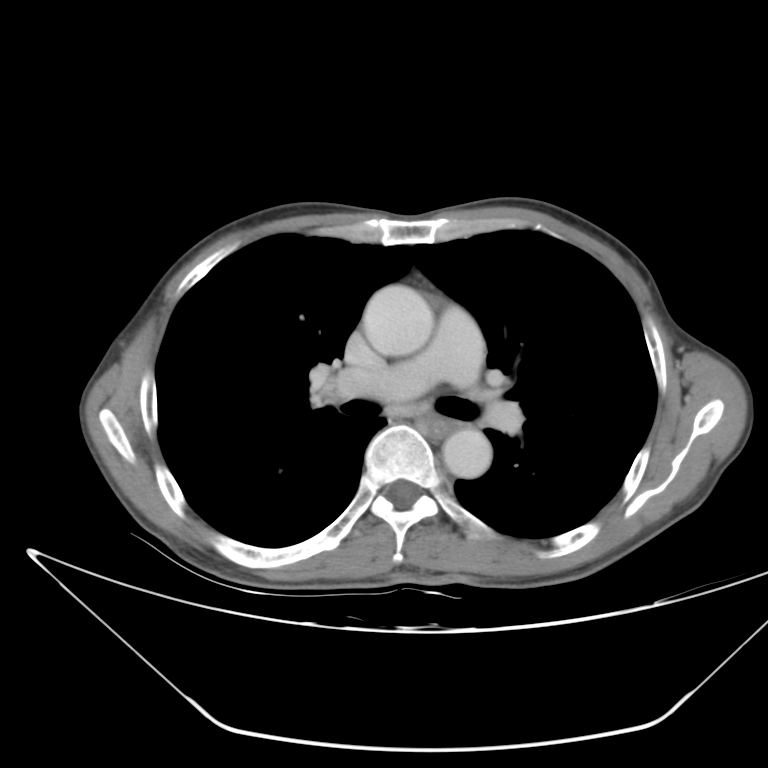 CT of the abdomen extending into the chest, slice through the chest. axial view. 768x768 px. 62-year-old male patient
At this level of the chest no structure but the esophagus and the aorta has a label in this dataset, and those two are boxed only where they are labeled.
<organs><organ name="aorta" x1="363" y1="285" x2="432" y2="354"/><organ name="aorta" x1="439" y1="429" x2="491" y2="478"/><organ name="esophagus" x1="426" y1="412" x2="454" y2="438"/></organs>